Abdominal CT; this slice is in the lower chest, just above the liver · Axial slice 95/131 · soft-tissue window (W 400 / L 40) · scan has 15 labeled organs (counted over the whole 3D scan, not this slice; an organ is boxed only where this slice passes through it)
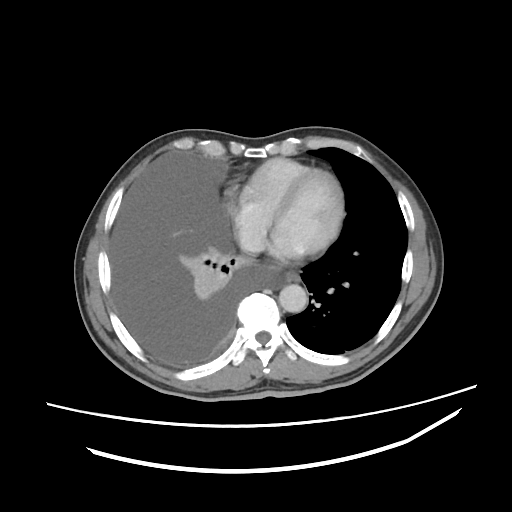

No part of the heart or lungs is labeled in this dataset, so neither has a box here.
Organ boxes in pixel coordinates; each row gives the top-left (x1, y1) and bottom-right (x2, y2) corners.
| organ | x1 | y1 | x2 | y2 |
|---|---|---|---|---|
| aorta | 279 | 284 | 307 | 312 |
| esophagus | 286 | 272 | 299 | 281 |